Computed tomography, abdomen · Axial slice 175/218 · soft-tissue window (W 400 / L 40) · scan has 15 labeled organs (counted over the whole 3D scan, not this slice; an organ is boxed only where this slice passes through it)
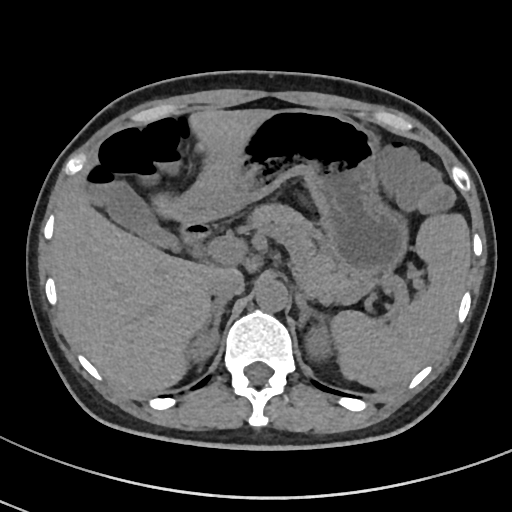 Bounding boxes as [x1, y1, x2, y2] in pixel coordinates.
Organ bounding boxes:
- spleen: [331, 213, 471, 388]
- right kidney: [187, 333, 218, 362]
- left kidney: [306, 326, 331, 356]
- gall bladder: [89, 182, 177, 248]
- liver: [52, 108, 270, 392]
- stomach: [177, 108, 407, 278]
- aorta: [255, 279, 287, 311]
- inferior vena cava: [209, 270, 244, 297]
- pancreas: [250, 203, 373, 301]
- right adrenal gland: [205, 296, 231, 335]
- left adrenal gland: [296, 293, 324, 330]
- duodenum: [179, 219, 211, 244]